Abdominal CT — axial view — acquired on SOMATOM Force
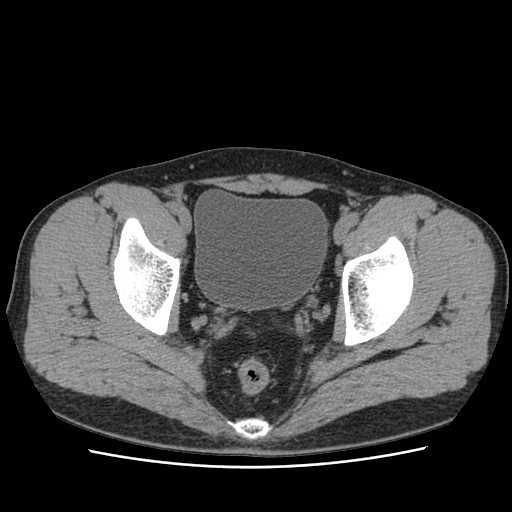 Each box given as x1,y1,x2,y2. Labeled organs on this slice: bladder at x1=194, y1=191, x2=328, y2=308.